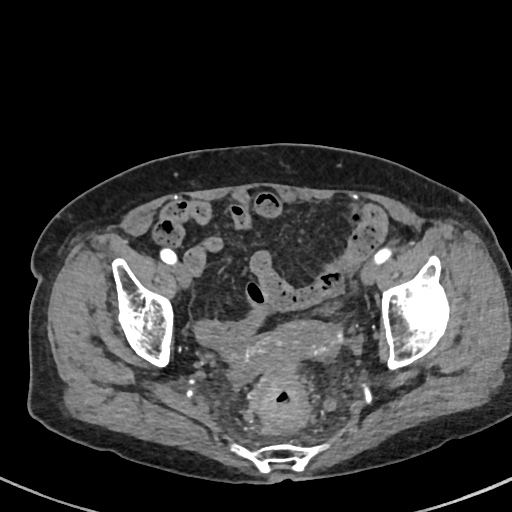
Computed tomography, abdomen. axial plane, index 45. abdomen soft-tissue window. SOMATOM Force scanner. scan has 15 labeled organs (that count is for the whole scan; organs this slice misses have no box)
<organs><organ name="bladder" x1="324" y1="302" x2="338" y2="310"/><organ name="prostate/uterus" x1="267" y1="322" x2="339" y2="358"/></organs>